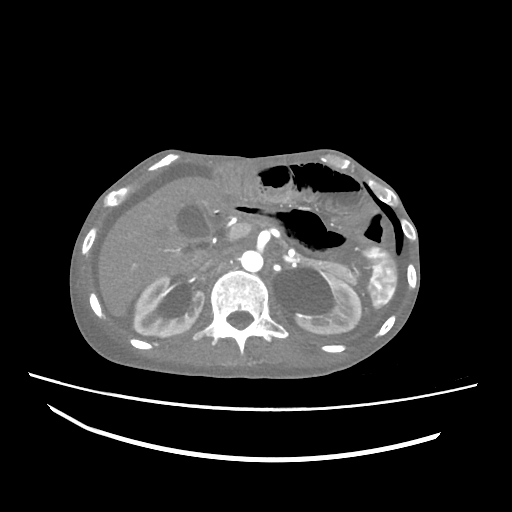
Abdominal CT. axial view. 47-year-old male patient. acquired on Aquilion ONE
Boxes: x1 y1 x2 y2 (pixel coords, space-separated).
inferior vena cava: 200 249 229 270
pancreas: 296 256 355 283
spleen: 363 247 396 307
liver: 98 176 231 317
right kidney: 133 276 203 337
left kidney: 292 276 361 334
gall bladder: 177 203 210 241
aorta: 240 250 263 272
duodenum: 210 212 227 228